Computed tomography, abdomen. axial view. W/L 400/40 HU
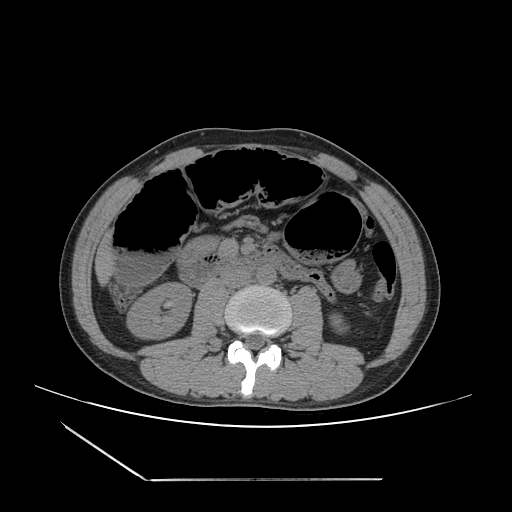 <organs><organ name="right kidney" x1="127" y1="282" x2="191" y2="338"/><organ name="left kidney" x1="330" y1="313" x2="347" y2="333"/><organ name="liver" x1="95" y1="230" x2="114" y2="285"/><organ name="stomach" x1="332" y1="260" x2="359" y2="290"/><organ name="aorta" x1="256" y1="265" x2="276" y2="284"/><organ name="inferior vena cava" x1="220" y1="269" x2="251" y2="287"/><organ name="duodenum" x1="180" y1="247" x2="330" y2="295"/></organs>